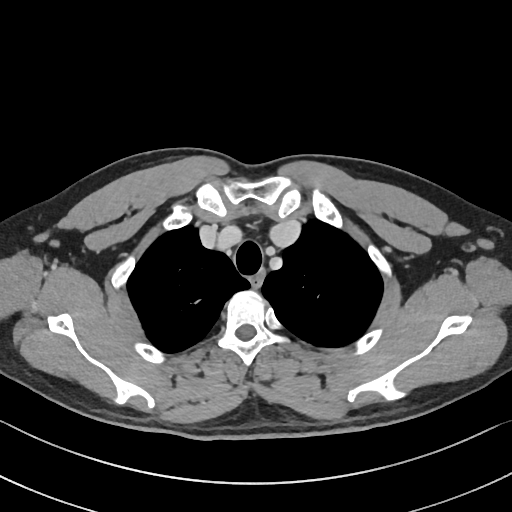

Chest-level CT slice, above the liver and spleen — Axial slice 271/291 — 512x512 px — 15 organs annotated in this scan (a whole-scan count: organs this slice does not pass through have no box)
At this level of the chest no structure but the esophagus and the aorta has a label in this dataset, and those two are boxed only where they are labeled.
Bounding boxes as [x1, y1, x2, y2] in pixel coordinates.
Organ bounding boxes:
- esophagus: [249, 266, 264, 287]